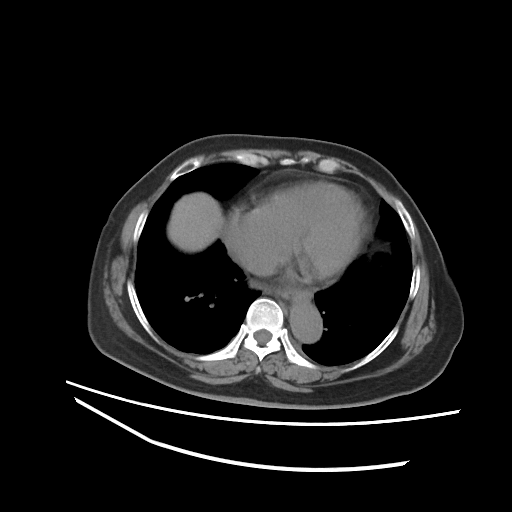

Computed tomography, abdomen — axial view — soft-tissue window (W 400 / L 40) — scan has 15 labeled organs (a whole-scan count: organs this slice does not pass through have no box)
Organ boxes in pixel coordinates; each row gives the top-left (x1, y1) and bottom-right (x2, y2) corners.
| organ | x1 | y1 | x2 | y2 |
|---|---|---|---|---|
| aorta | 290 | 302 | 321 | 342 |
| liver | 167 | 192 | 223 | 251 |
| esophagus | 282 | 286 | 313 | 302 |
| inferior vena cava | 240 | 248 | 277 | 275 |